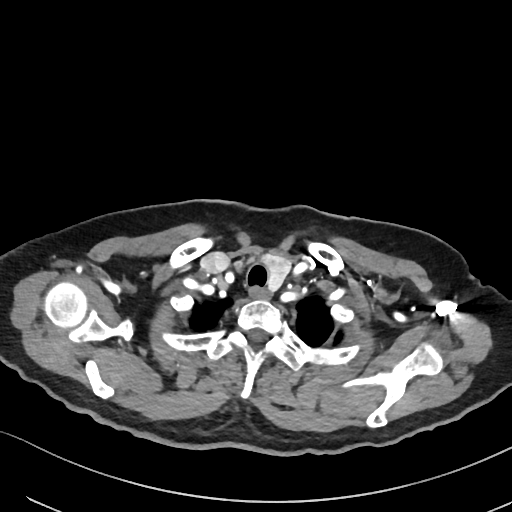

Chest-level slice from an abdominal CT that extends up into the chest. axial view. acquired on SOMATOM Force
At this level of the chest no structure but the esophagus and the aorta has a label in this dataset, and those two are boxed only where they are labeled. Each box given as x1,y1,x2,y2. 1 labeled organ on this slice — esophagus at x1=249, y1=285, x2=271, y2=299.